CT, abdomen/pelvis. axial view. soft-tissue window. 512x512 px
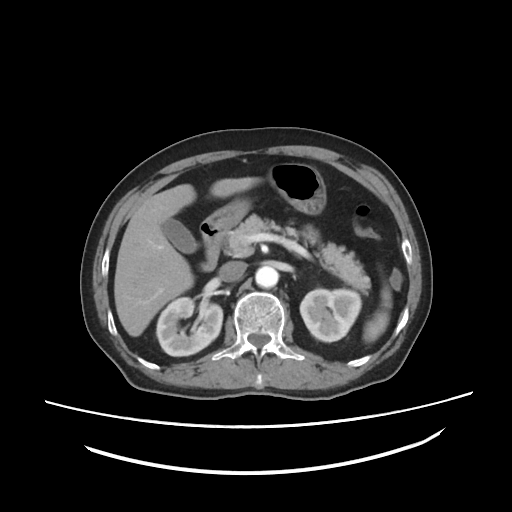 Each box given as x1,y1,x2,y2.
Organ bounding boxes:
- spleen: x1=363, y1=287, x2=391, y2=342
- right kidney: x1=156, y1=297, x2=222, y2=356
- left kidney: x1=300, y1=289, x2=361, y2=341
- gall bladder: x1=162, y1=218, x2=198, y2=253
- liver: x1=114, y1=177, x2=260, y2=336
- stomach: x1=204, y1=163, x2=326, y2=231
- aorta: x1=255, y1=266, x2=278, y2=288
- inferior vena cava: x1=219, y1=261, x2=246, y2=281
- pancreas: x1=223, y1=214, x2=370, y2=293
- duodenum: x1=200, y1=222, x2=224, y2=271